CT abdomen · axial plane, index 80 · 512x512 px
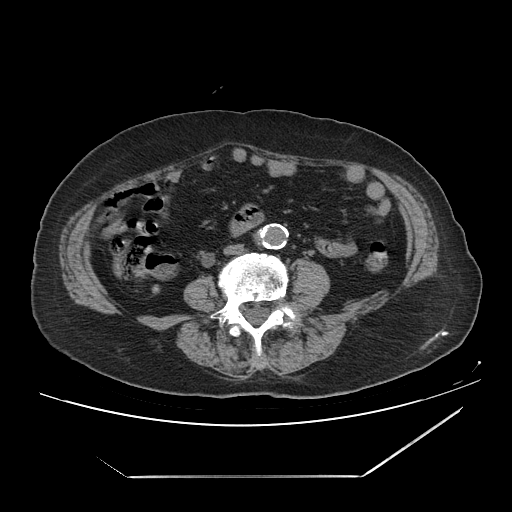
Boxes: x1:y1:x2:y2 in pixels.
aorta: 255:224:287:249
inferior vena cava: 223:244:243:255